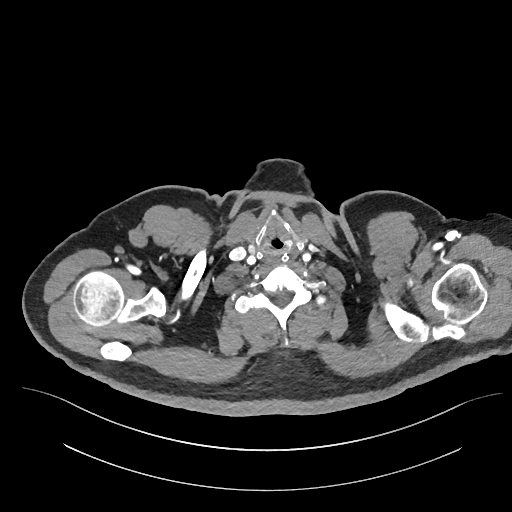
Chest-level CT slice, above the liver and spleen — Axial slice 332/333
At this level of the chest this dataset labels only the esophagus and the aorta, and each is boxed only where it is labeled; the heart and lungs are never labeled.
Boxes are (x1, y1, x2, y2) in pixels.
Organ bounding boxes:
- esophagus: (270, 251, 292, 263)